CT abdomen. Axial slice 110/307. W/L 400/40 HU. 512x512 px. scan has 15 labeled organs (that count is for the whole scan; organs this slice misses have no box)
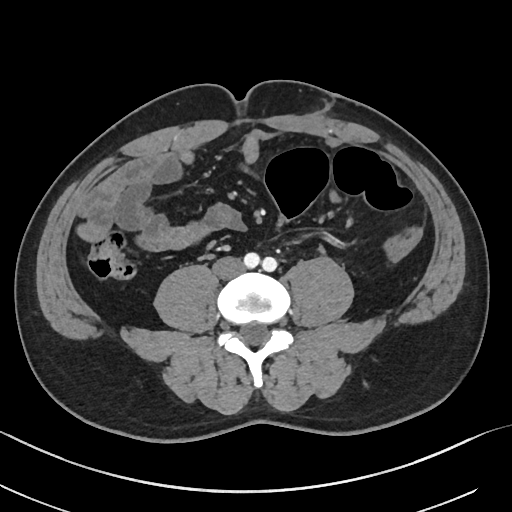
Boxes: x1:y1:x2:y2 in pixels.
Organ bounding boxes:
- inferior vena cava: 212:256:244:279